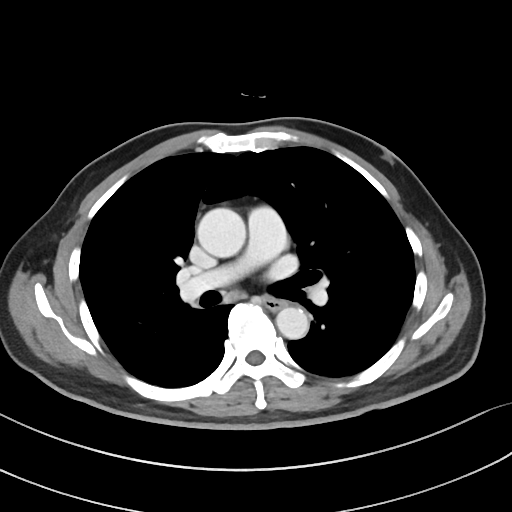
CT of the abdomen extending into the chest, slice through the chest; Axial slice 99/128; acquired on SOMATOM Force
At this level of the chest this dataset labels only the esophagus and the aorta, and each is boxed only where it is labeled; the heart and lungs are never labeled.
Boxes: x1 y1 x2 y2 (pixel coords, space-separated).
Organ bounding boxes:
- esophagus: 264 298 283 310
- aorta: 197 207 245 258
- aorta: 276 307 308 339